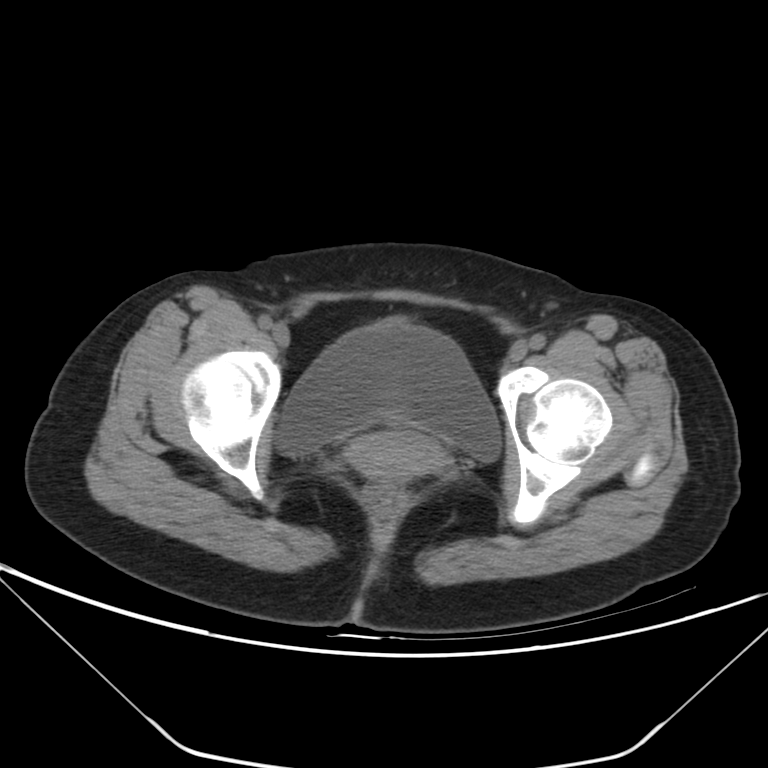 Abdominal CT · axial view · acquired on Brilliance16
Each box given as x1,y1,x2,y2. Labeled organs on this slice: bladder at x1=275, y1=319, x2=501, y2=462, prostate/uterus at x1=346, y1=428, x2=444, y2=482.